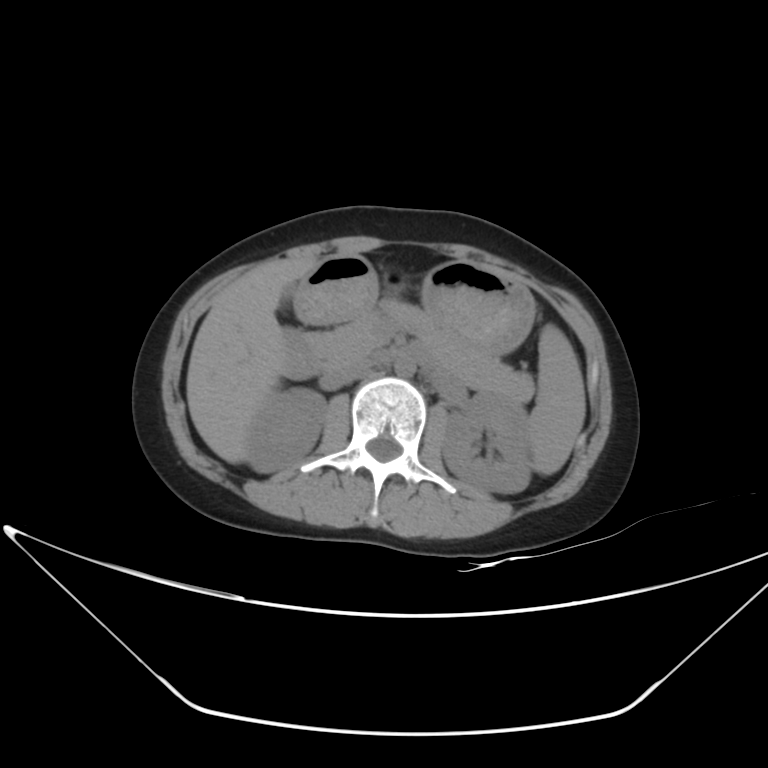 Abdominal CT. axial view. W/L 400/40 HU. 768x768 px. 28-year-old female patient. Brilliance16 scanner
Boxes are (x1, y1, x2, y2) in pixels.
Organ bounding boxes:
- duodenum: (281, 327, 323, 379)
- inferior vena cava: (322, 357, 375, 390)
- left kidney: (441, 392, 532, 494)
- gall bladder: (281, 284, 295, 303)
- pancreas: (313, 299, 533, 404)
- right kidney: (246, 388, 326, 472)
- liver: (186, 257, 320, 463)
- spleen: (530, 325, 585, 474)
- stomach: (295, 255, 535, 358)
- aorta: (394, 356, 416, 376)